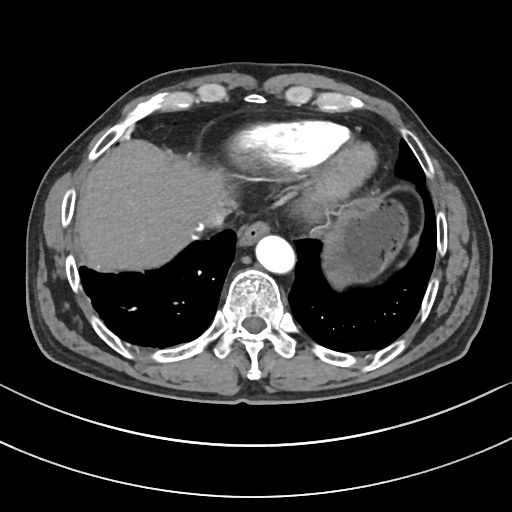 Abdominal CT. Axial slice 183/280. 512x512 px. acquired on SOMATOM Force
Coordinates as <box>x1,y1,x2,y2</box> in pixels.
Organ bounding boxes:
- esophagus: <box>238,224,268,248</box>
- stomach: <box>334,200,406,280</box>
- aorta: <box>257,237,296,274</box>
- inferior vena cava: <box>196,198,236,228</box>
- liver: <box>80,142,225,270</box>